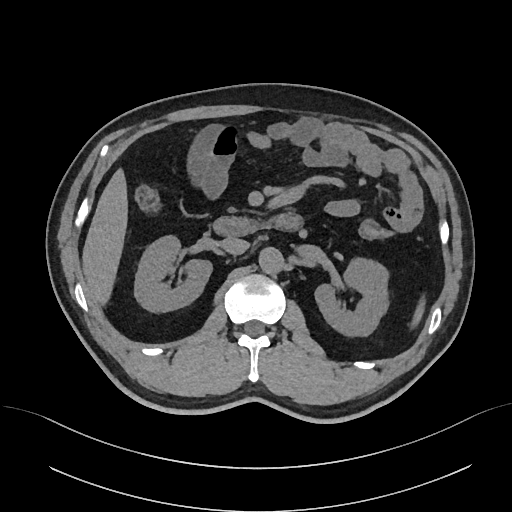

Computed tomography, abdomen; axial view; 512x512 px
{"organs":{"spleen":[411,301,425,327],"right kidney":[133,235,211,311],"left kidney":[315,256,390,335],"liver":[83,169,126,299],"aorta":[258,246,282,272],"inferior vena cava":[221,237,249,254],"duodenum":[214,212,301,236]}}